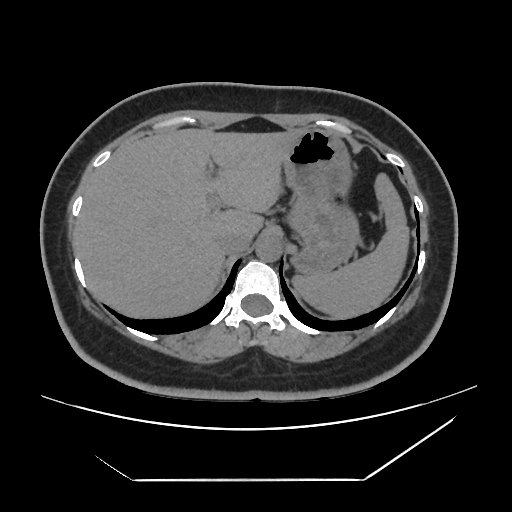 Abdominal CT. axial view
<organs><organ name="spleen" x1="292" y1="173" x2="408" y2="317"/><organ name="liver" x1="75" y1="128" x2="302" y2="317"/><organ name="stomach" x1="284" y1="128" x2="360" y2="273"/><organ name="aorta" x1="255" y1="236" x2="281" y2="262"/><organ name="inferior vena cava" x1="219" y1="232" x2="251" y2="254"/></organs>